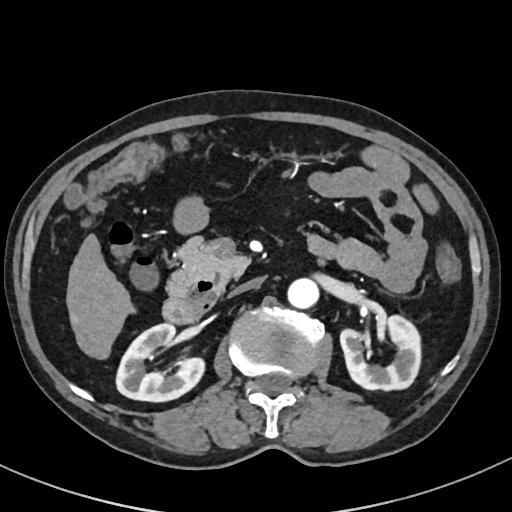
CT abdomen · Axial slice 151/303 · 15 organs annotated in this scan (counted over the whole 3D scan, not this slice; an organ is boxed only where this slice passes through it)
Boxes: x1:y1:x2:y2 in pixels. The annotated organs in this slice are: right kidney at 117:323:203:402, left kidney at 339:314:421:392, liver at 65:233:135:361, aorta at 286:279:318:309, inferior vena cava at 229:279:261:296, pancreas at 166:235:248:295, duodenum at 162:279:222:323.